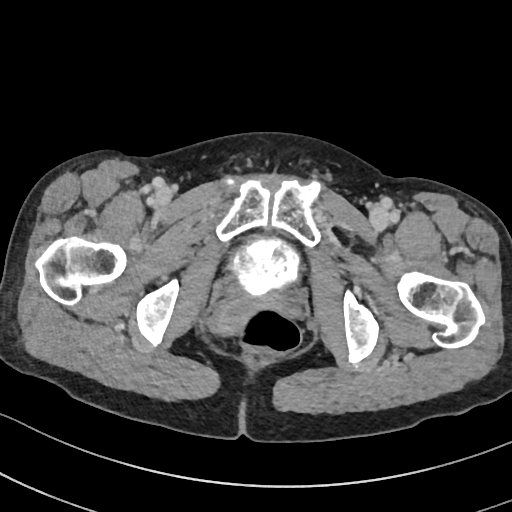
CT, abdomen/pelvis; Axial slice 9/192; abdomen soft-tissue window
Each box given as x1,y1,x2,y2.
Organ bounding boxes:
- prostate/uterus: x1=211, y1=298, x2=255, y2=334
- bladder: x1=229, y1=237, x2=300, y2=296